CT abdomen; axial view; soft-tissue window
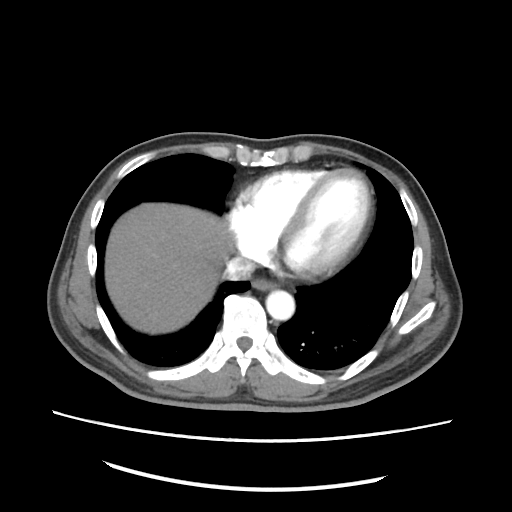 <organs><organ name="aorta" x1="265" y1="290" x2="294" y2="320"/><organ name="liver" x1="104" y1="203" x2="227" y2="334"/><organ name="inferior vena cava" x1="220" y1="259" x2="253" y2="279"/><organ name="esophagus" x1="251" y1="278" x2="278" y2="290"/></organs>